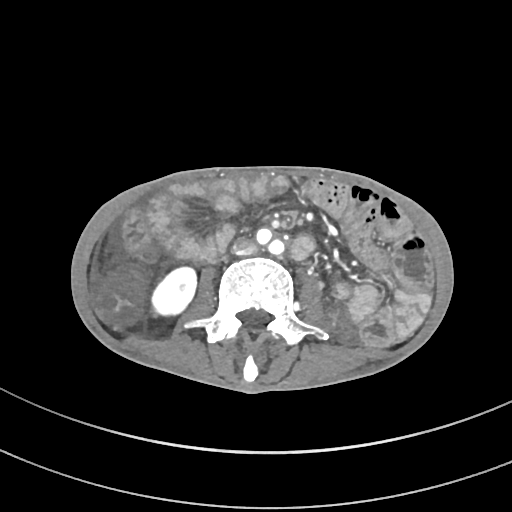 CT, abdomen/pelvis; axial view
Bounding boxes in pixels, one row per box: x1, y1 is the top-left corner and x2, y2 the bottom-right.
| organ | x1 | y1 | x2 | y2 |
|---|---|---|---|---|
| right kidney | 151 | 267 | 197 | 314 |
| inferior vena cava | 231 | 238 | 257 | 254 |